CT of the abdomen reaching into the lower chest, slice just above the liver and spleen · Axial slice 88/118 · Aquilion ONE scanner
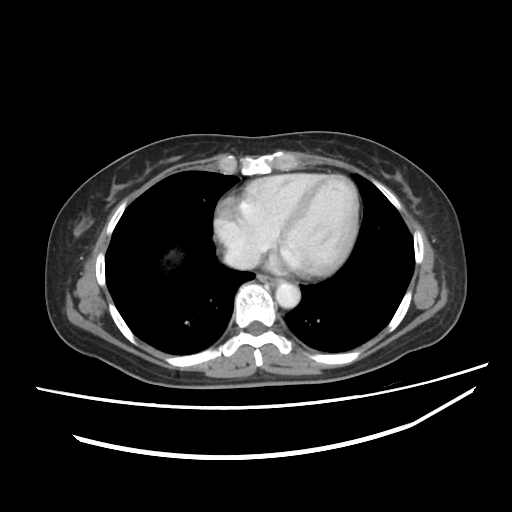
No part of the heart or lungs is labeled in this dataset, so neither has a box here.
<organs><organ name="esophagus" x1="257" y1="274" x2="282" y2="285"/><organ name="aorta" x1="275" y1="282" x2="300" y2="308"/><organ name="inferior vena cava" x1="223" y1="246" x2="259" y2="269"/></organs>